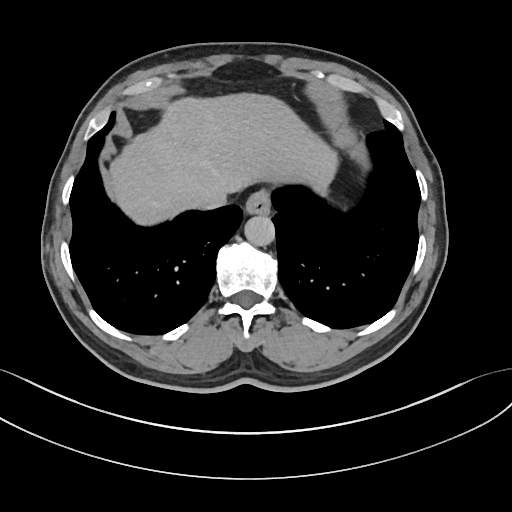 CT abdomen. axial view. abdomen soft-tissue window
{"organs":{"esophagus":[244,191,270,214],"liver":[109,95,338,222],"aorta":[245,215,275,246],"inferior vena cava":[197,188,228,208]}}